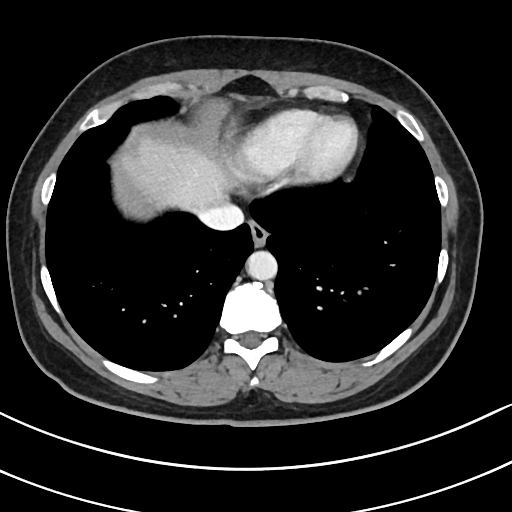
CT, abdomen/pelvis · Axial slice 194/206 · W/L 400/40 HU · 512x512 px
{"organs":{"aorta":[246,251,278,280],"inferior vena cava":[200,201,243,230],"esophagus":[249,222,268,247],"liver":[124,137,226,210]}}